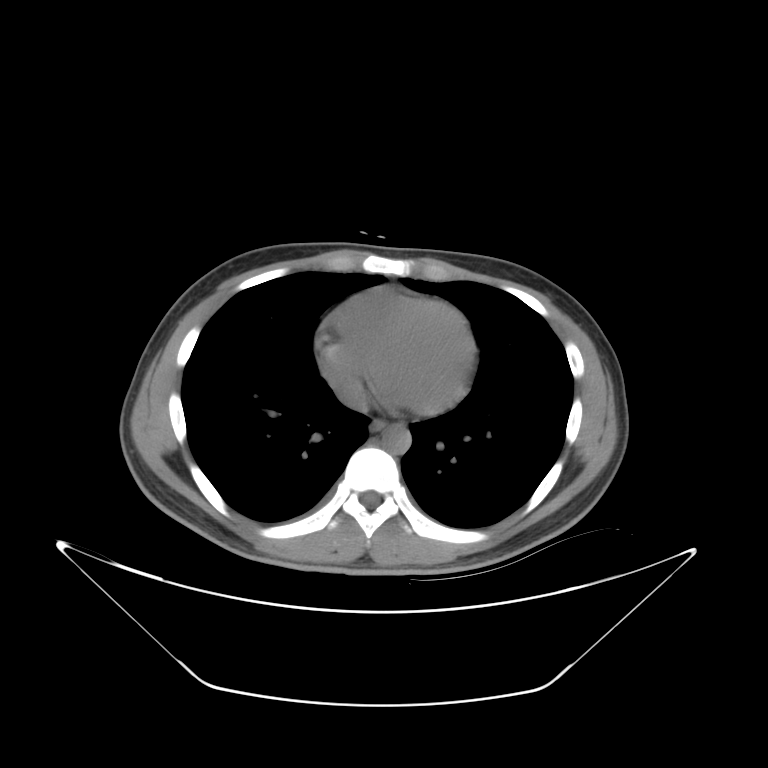
Abdominal CT; this slice is in the lower chest, just above the liver; axial plane, index 100; Brilliance16 scanner
Of the structures in the chest, this dataset labels only the esophagus, the aorta and the inferior vena cava; the heart and lungs have no label.
Organ boxes in pixel coordinates; each row gives the top-left (x1, y1) and bottom-right (x2, y2) corners.
| organ | x1 | y1 | x2 | y2 |
|---|---|---|---|---|
| esophagus | 370 | 420 | 386 | 431 |
| aorta | 380 | 424 | 411 | 454 |
| inferior vena cava | 337 | 379 | 371 | 413 |